CT abdomen; Axial slice 16/132; 67-year-old male patient; Aquilion ONE scanner
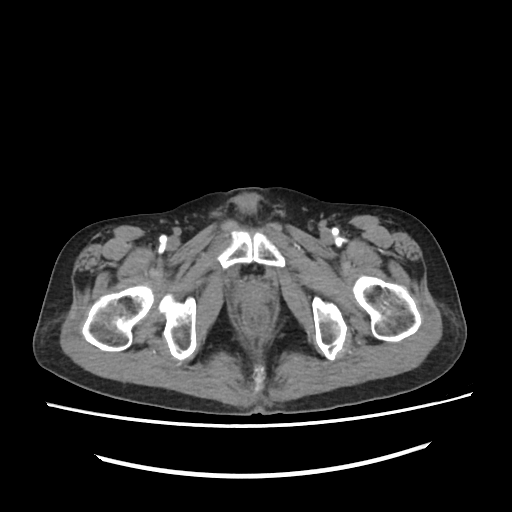
{"organs":{"prostate/uterus":[240,285,262,305]}}